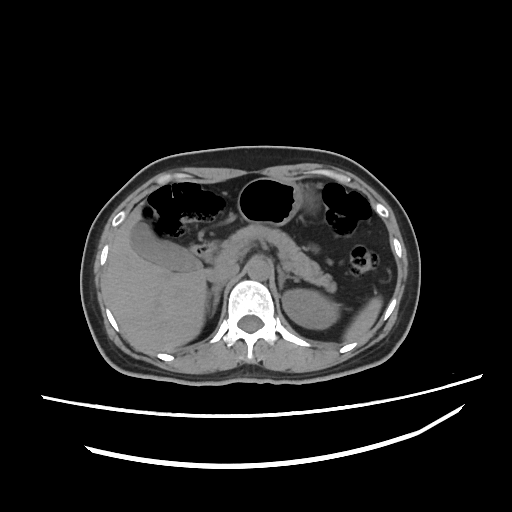 Computed tomography, abdomen — axial view — 512x512 px
{"organs":{"aorta":[245,255,271,280],"liver":[103,207,208,352],"duodenum":[191,242,217,263],"spleen":[343,296,382,341],"right adrenal gland":[206,286,221,316],"left adrenal gland":[278,267,298,290],"pancreas":[219,225,336,291],"left kidney":[282,289,337,329],"inferior vena cava":[207,265,238,285],"gall bladder":[130,223,202,271],"stomach":[237,178,304,224]}}